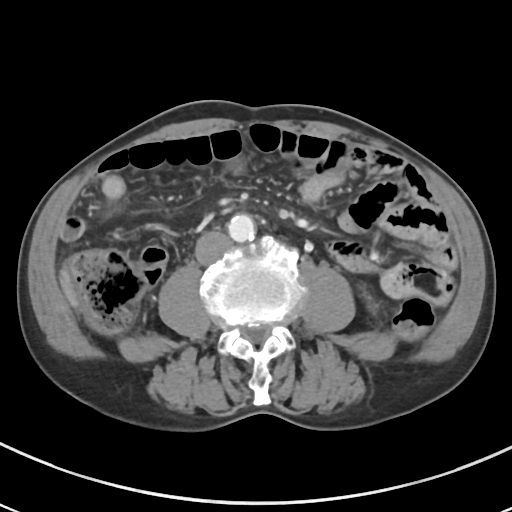
CT abdomen; axial plane, index 42; 512x512 px
{"organs":{"aorta":[228,214,254,242],"inferior vena cava":[195,231,231,265]}}